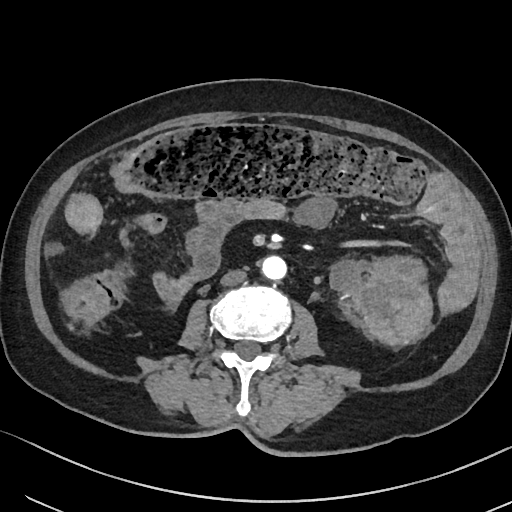
Abdominal CT — axial plane, index 127 — 512x512 px
<organs><organ name="aorta" x1="263" y1="256" x2="287" y2="280"/><organ name="inferior vena cava" x1="220" y1="270" x2="246" y2="286"/></organs>